Abdominal CT; Axial slice 54/128; W/L 400/40 HU; acquired on SOMATOM Force
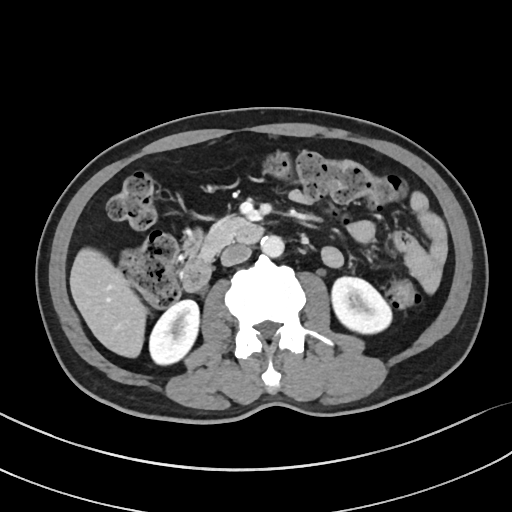
<organs><organ name="aorta" x1="261" y1="235" x2="284" y2="257"/><organ name="pancreas" x1="201" y1="216" x2="245" y2="259"/><organ name="left kidney" x1="331" y1="277" x2="391" y2="333"/><organ name="right kidney" x1="149" y1="299" x2="199" y2="364"/><organ name="liver" x1="69" y1="247" x2="146" y2="357"/><organ name="inferior vena cava" x1="221" y1="244" x2="251" y2="266"/><organ name="duodenum" x1="182" y1="222" x2="263" y2="291"/></organs>